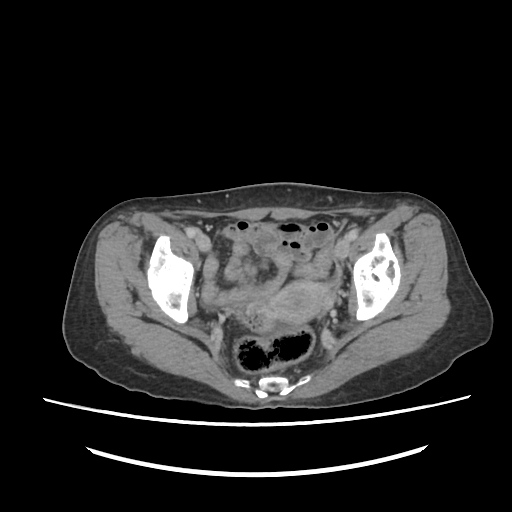 CT abdomen — axial view — 512x512 px — 15 organs annotated in this scan (that count is for the whole scan; organs this slice misses have no box)
Boxes: x1:y1:x2:y2 in pixels. The annotated organs in this slice are: prostate/uterus at 258:280:334:324.